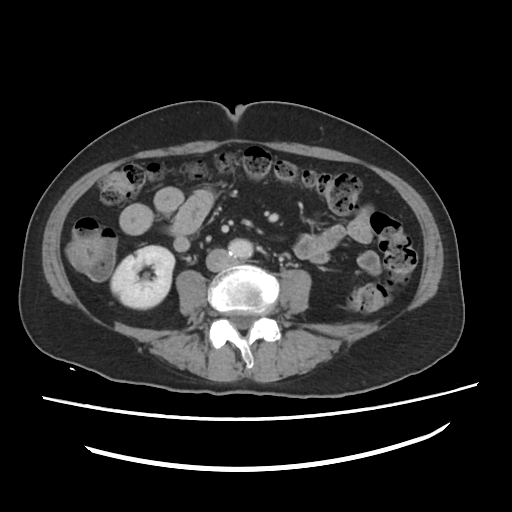

CT abdomen. axial plane, index 46. 14 organs annotated in this scan (that count is for the whole scan; organs this slice misses have no box)
{"organs":{"right kidney":[111,246,175,308],"aorta":[230,238,252,257],"inferior vena cava":[206,250,232,270]}}